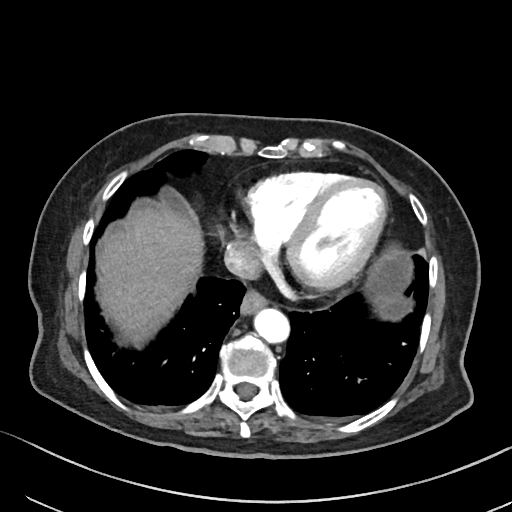 Abdominal CT · axial plane, index 208 · W/L 400/40 HU · SOMATOM Force scanner
Organ boxes in pixel coordinates; each row gives the top-left (x1, y1) and bottom-right (x2, y2) corners.
| organ | x1 | y1 | x2 | y2 |
|---|---|---|---|---|
| esophagus | 240 | 289 | 268 | 314 |
| liver | 96 | 203 | 203 | 345 |
| aorta | 254 | 308 | 289 | 342 |
| inferior vena cava | 224 | 240 | 261 | 279 |